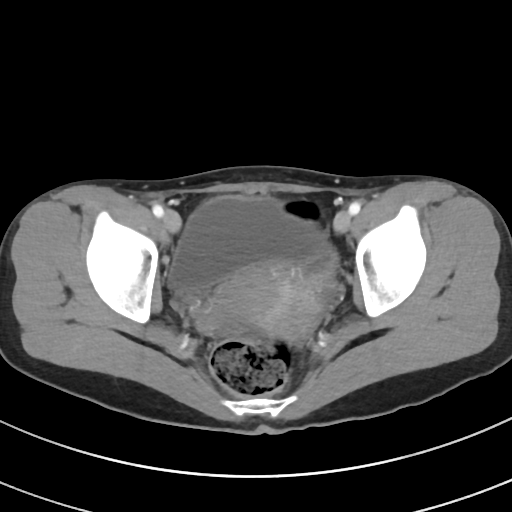 Computed tomography, abdomen · axial view · soft-tissue window · SOMATOM Force scanner
<organs><organ name="prostate/uterus" x1="200" y1="263" x2="321" y2="341"/><organ name="bladder" x1="169" y1="196" x2="324" y2="293"/></organs>